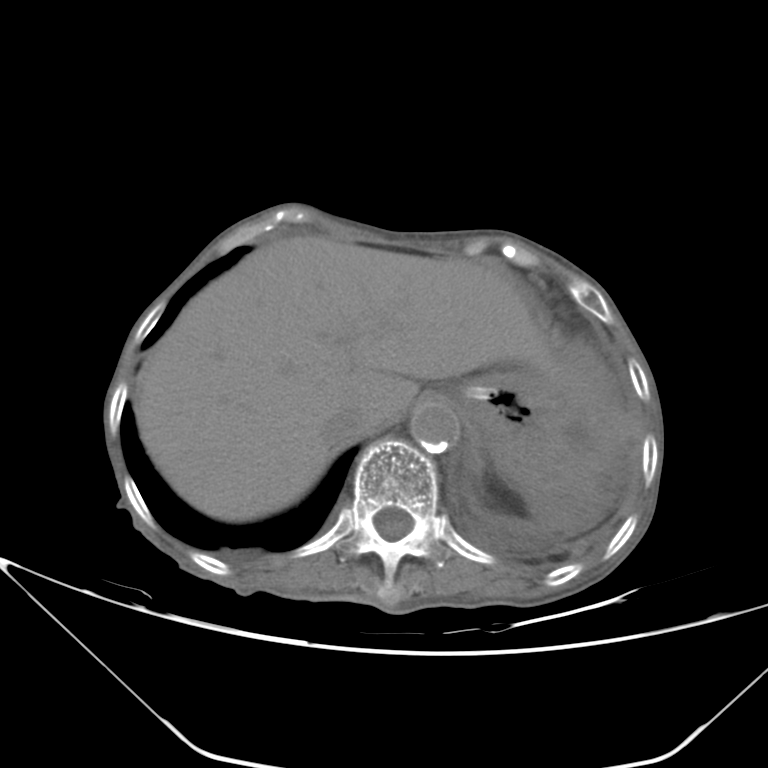
Computed tomography, abdomen. axial view. soft-tissue window. scan has 14 labeled organs (that count is for the whole scan; organs this slice misses have no box)
Bounding boxes in pixels, one row per box: x1, y1 is the top-left corner and x2, y2 the bottom-right.
| organ | x1 | y1 | x2 | y2 |
|---|---|---|---|---|
| liver | 134 | 235 | 556 | 521 |
| stomach | 453 | 371 | 573 | 485 |
| aorta | 410 | 402 | 459 | 452 |
| inferior vena cava | 323 | 405 | 363 | 450 |